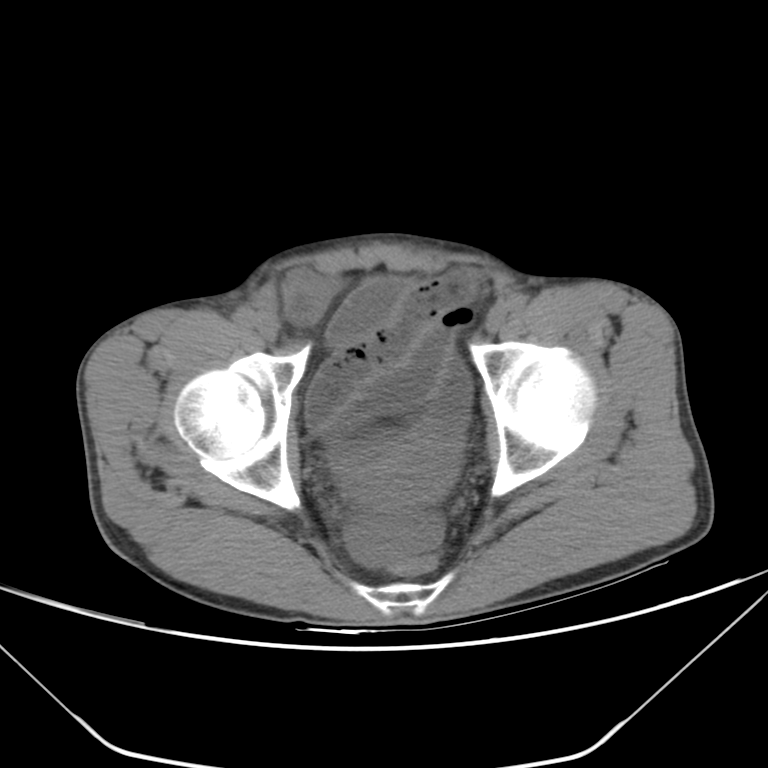 Computed tomography, abdomen · axial view · soft-tissue window
Boxes: x1 y1 x2 y2 (pixel coords, space-separated).
Organ bounding boxes:
- bladder: 330 429 460 504